CT, abdomen/pelvis — axial view — W/L 400/40 HU
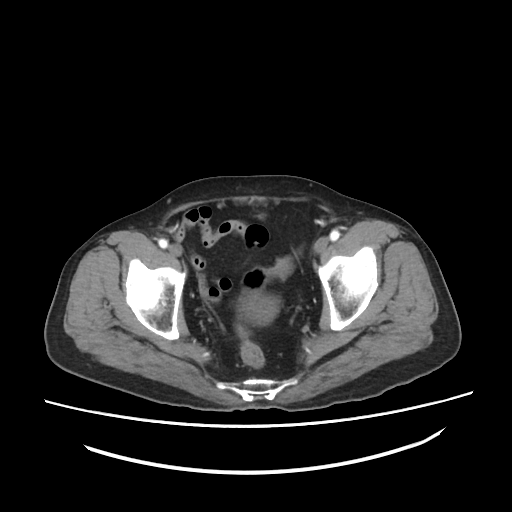 Bounding boxes in pixels, one row per box: x1, y1 is the top-left corner and x2, y2 the bottom-right.
| organ | x1 | y1 | x2 | y2 |
|---|---|---|---|---|
| bladder | 244 | 294 | 279 | 324 |